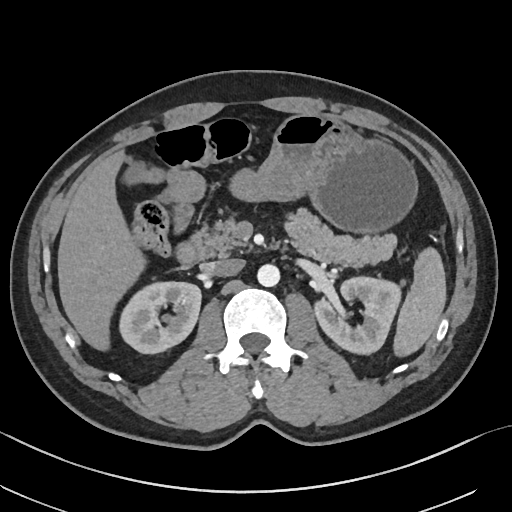

Computed tomography, abdomen; axial view; abdomen soft-tissue window; 512x512 px
Boxes: x1 y1 x2 y2 (pixel coords, space-separated).
Organ bounding boxes:
- spleen: 392 246 447 358
- left kidney: 313 277 402 355
- gall bladder: 125 161 148 184
- right kidney: 121 282 201 353
- aorta: 257 264 279 287
- duodenum: 174 229 211 267
- liver: 57 150 144 352
- stomach: 229 115 418 232
- inferior vena cava: 206 258 244 275
- pancreas: 201 208 396 267